CT, abdomen/pelvis · axial view · soft-tissue window
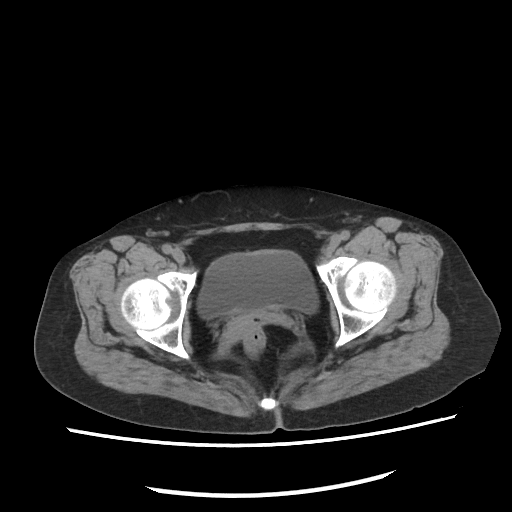
Boxes: x1 y1 x2 y2 (pixel coords, space-separated). The annotated organs in this slice are: bladder at 196 250 318 318, prostate/uterus at 225 315 261 340.